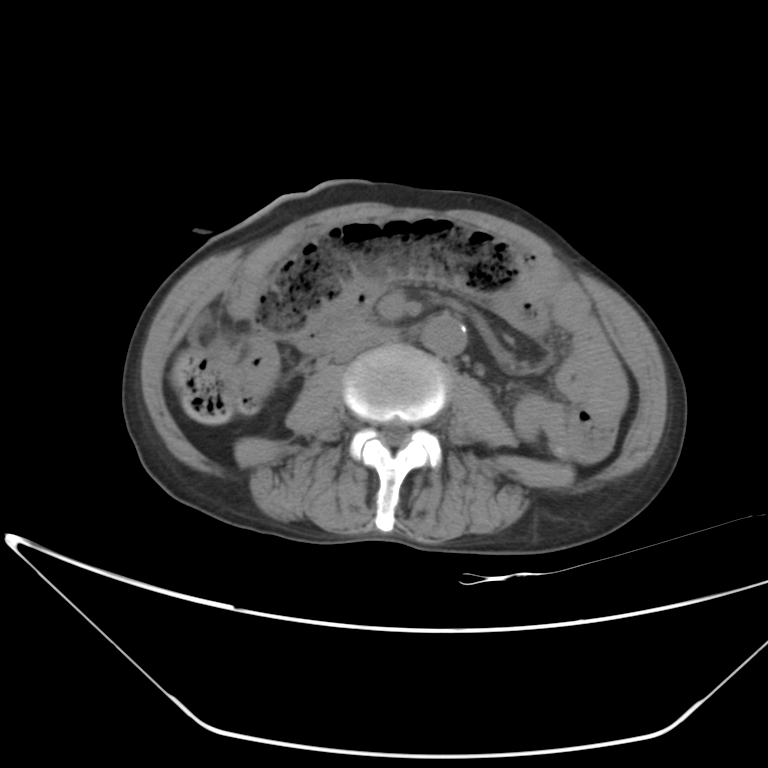

Abdominal CT · axial view · Brilliance16 scanner
{"organs":{"inferior vena cava":[334,330,397,361],"aorta":[422,313,467,356],"duodenum":[333,321,376,345]}}